Abdominal CT; axial view; W/L 400/40 HU; acquired on Brilliance16
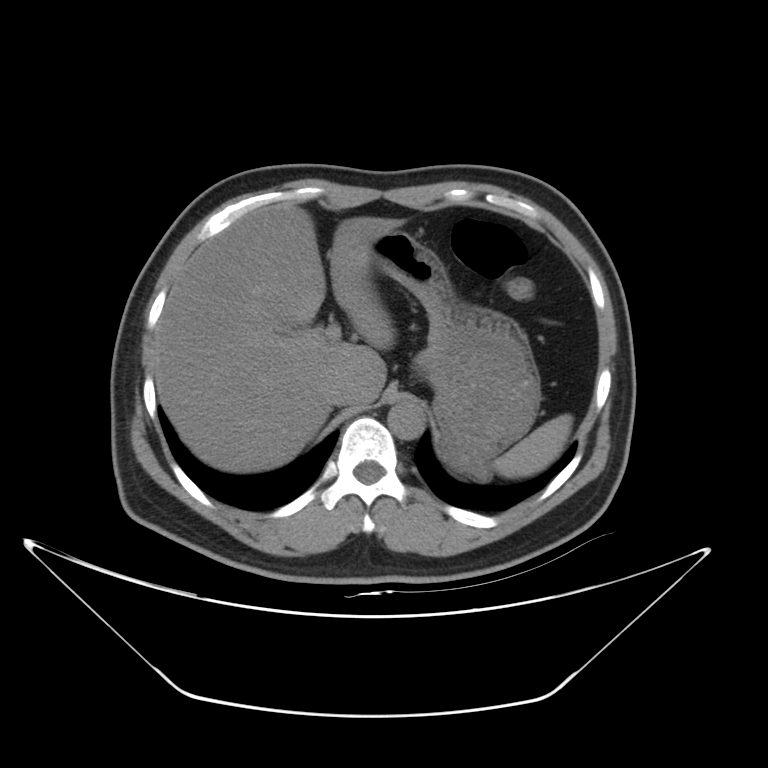
<organs><organ name="aorta" x1="388" y1="402" x2="424" y2="440"/><organ name="spleen" x1="494" y1="414" x2="572" y2="477"/><organ name="inferior vena cava" x1="323" y1="376" x2="355" y2="405"/><organ name="stomach" x1="371" y1="229" x2="540" y2="472"/><organ name="liver" x1="155" y1="202" x2="405" y2="472"/></organs>